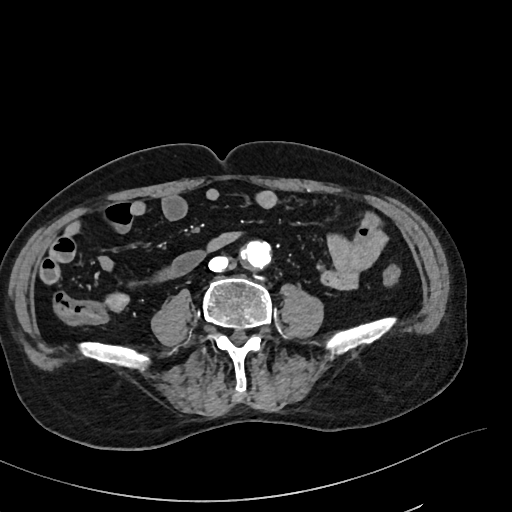

CT, abdomen/pelvis · axial view · soft-tissue window (W 400 / L 40) · 512x512 px
<organs><organ name="aorta" x1="241" y1="241" x2="270" y2="269"/><organ name="inferior vena cava" x1="207" y1="256" x2="228" y2="272"/></organs>